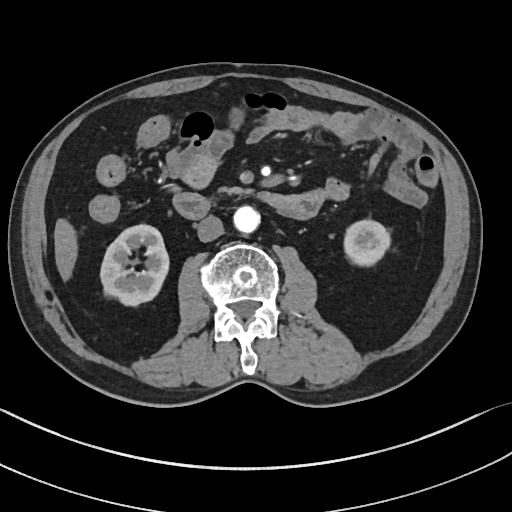

CT, abdomen/pelvis · axial plane, index 128 · 15 organs annotated in this scan (counted over the whole 3D scan, not this slice; an organ is boxed only where this slice passes through it)
Boxes: x1 y1 x2 y2 (pixel coords, space-separated). 7 labeled organs on this slice — right kidney at 100 224 170 305; aorta at 233 206 260 233; left kidney at 343 219 389 265; inferior vena cava at 197 215 222 242; duodenum at 172 191 324 219; liver at 54 217 76 281; pancreas at 218 186 250 196.